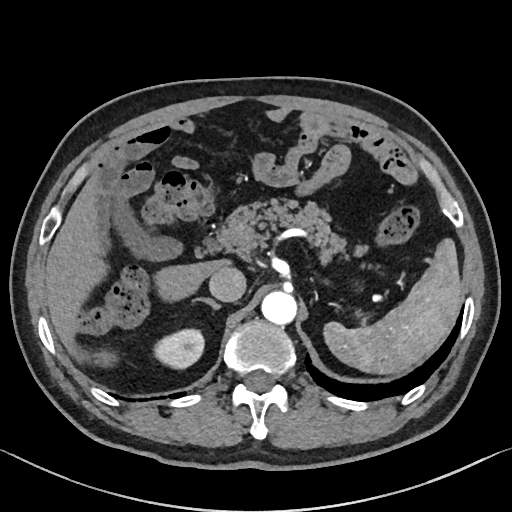

CT abdomen. Axial slice 159/245. soft-tissue window. 512x512 px
One row per box, in pixels: columns x1 and y1 give the top-left corner, x2 and y2 the bottom-right.
| organ | x1 | y1 | x2 | y2 |
|---|---|---|---|---|
| spleen | 323 | 238 | 462 | 374 |
| right kidney | 153 | 328 | 203 | 368 |
| gall bladder | 113 | 199 | 181 | 260 |
| liver | 45 | 172 | 229 | 366 |
| aorta | 261 | 291 | 297 | 325 |
| inferior vena cava | 209 | 267 | 246 | 301 |
| pancreas | 210 | 200 | 364 | 262 |
| right adrenal gland | 192 | 297 | 220 | 309 |